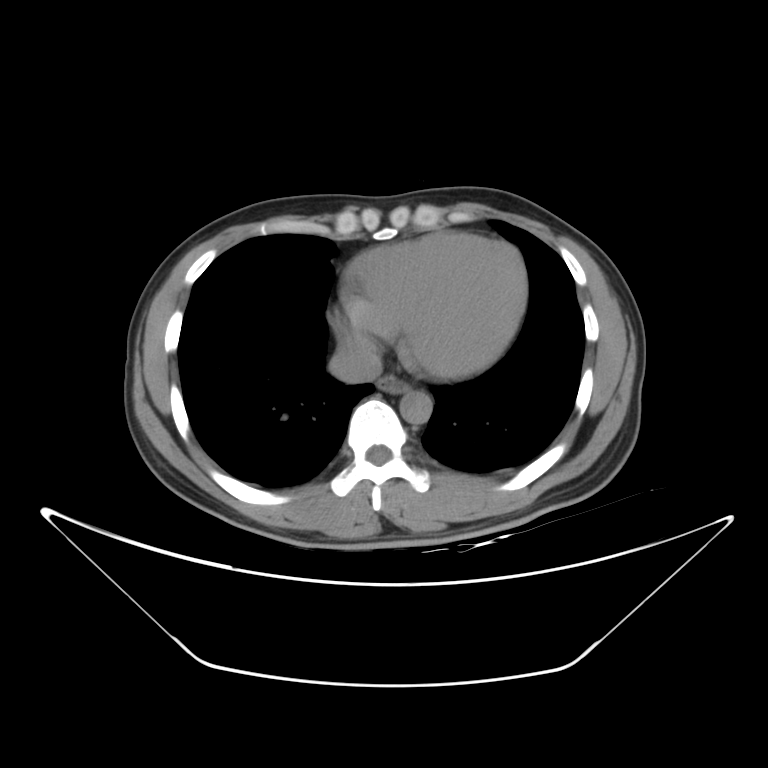

Lower-chest slice from an abdominal CT, just above the liver and spleen; axial view; soft-tissue window (W 400 / L 40); 37-year-old male patient
No part of the heart or lungs is labeled in this dataset, so neither has a box here.
One row per box, in pixels: columns x1 and y1 give the top-left corner, x2 and y2 the bottom-right.
| organ | x1 | y1 | x2 | y2 |
|---|---|---|---|---|
| aorta | 399 | 391 | 432 | 424 |
| esophagus | 377 | 374 | 410 | 393 |
| inferior vena cava | 329 | 340 | 382 | 382 |